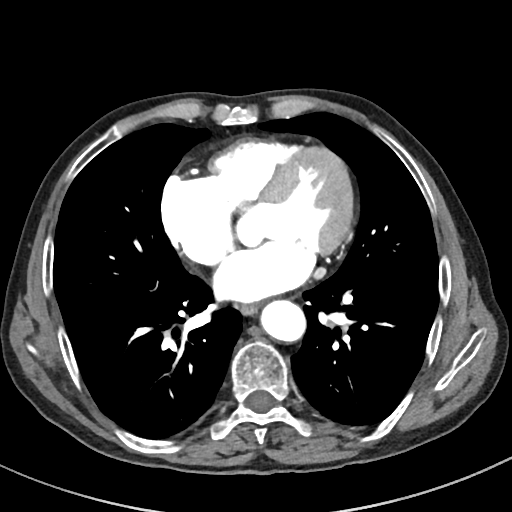

Abdominal CT; this slice is in the lower chest, just above the liver — axial plane, index 224 — soft-tissue window (W 400 / L 40) — SOMATOM Force scanner
Of the structures in the chest, this dataset labels only the esophagus, the aorta and the inferior vena cava; the heart and lungs have no label.
Boxes: x1 y1 x2 y2 (pixel coords, space-separated).
Organ bounding boxes:
- esophagus: 240 304 258 315
- aorta: 260 300 306 341